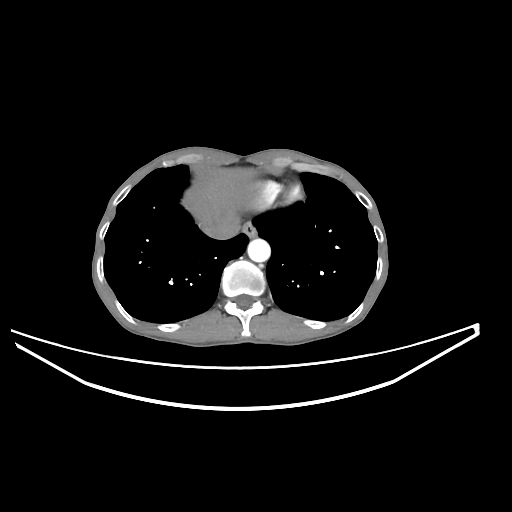 CT abdomen · axial plane, index 78 · abdomen soft-tissue window · 60-year-old male patient · acquired on Aquilion ONE · scan has 15 labeled organs (counted over the whole 3D scan, not this slice; an organ is boxed only where this slice passes through it)
Boxes: x1:y1:x2:y2 in pixels.
inferior vena cava: 202:217:239:239
aorta: 247:238:270:262
liver: 182:168:254:226
esophagus: 242:221:256:237